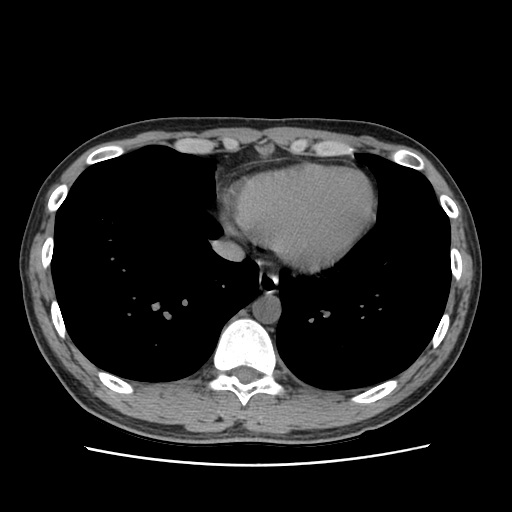
CT of the abdomen reaching into the lower chest, slice just above the liver and spleen — Axial slice 165/167 — soft-tissue window, W/L 400/40 — 15 organs annotated in this scan (counted over the whole 3D scan, not this slice; an organ is boxed only where this slice passes through it)
Of the structures in the chest, this dataset labels only the esophagus, the aorta and the inferior vena cava; the heart and lungs have no label.
Boxes: x1 y1 x2 y2 (pixel coords, space-separated).
esophagus: 258 271 278 294
aorta: 252 295 280 323
inferior vena cava: 212 240 244 261